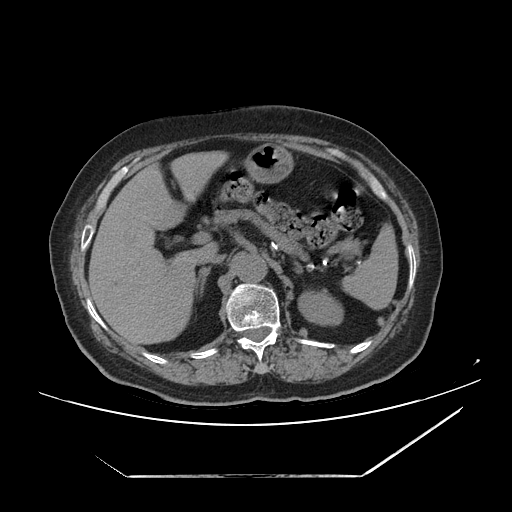 Computed tomography, abdomen. axial view
{"organs":{"stomach":[246,144,295,184],"pancreas":[215,209,359,255],"liver":[88,150,229,346],"spleen":[341,226,398,310],"inferior vena cava":[202,253,224,264],"aorta":[234,254,268,283],"right adrenal gland":[197,267,211,302],"left kidney":[300,292,340,324]}}